Abdominal CT — axial plane, index 33 — 15 organs annotated in this scan (counted over the whole 3D scan, not this slice; an organ is boxed only where this slice passes through it)
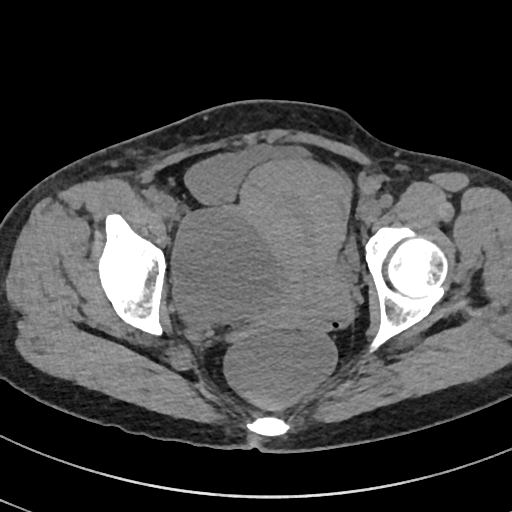

<organs><organ name="bladder" x1="185" y1="147" x2="360" y2="273"/><organ name="prostate/uterus" x1="241" y1="161" x2="354" y2="330"/></organs>